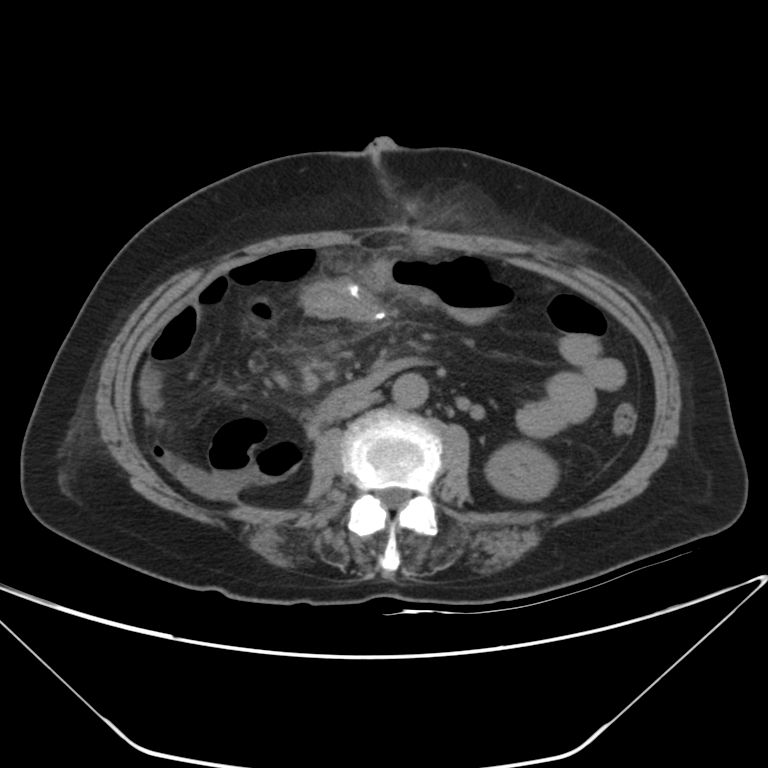 Computed tomography, abdomen · axial view · 768x768 px · 66-year-old female patient · 14 organs annotated in this scan (counted over the whole 3D scan, not this slice; an organ is boxed only where this slice passes through it)
<organs><organ name="left kidney" x1="486" y1="442" x2="557" y2="500"/><organ name="aorta" x1="392" y1="373" x2="428" y2="408"/><organ name="inferior vena cava" x1="337" y1="392" x2="376" y2="417"/><organ name="duodenum" x1="315" y1="356" x2="428" y2="423"/></organs>